Lower-chest slice from an abdominal CT, just above the liver and spleen · axial plane, index 90 · 66-year-old male patient · acquired on Aquilion ONE · scan has 15 labeled organs (a whole-scan count: organs this slice does not pass through have no box)
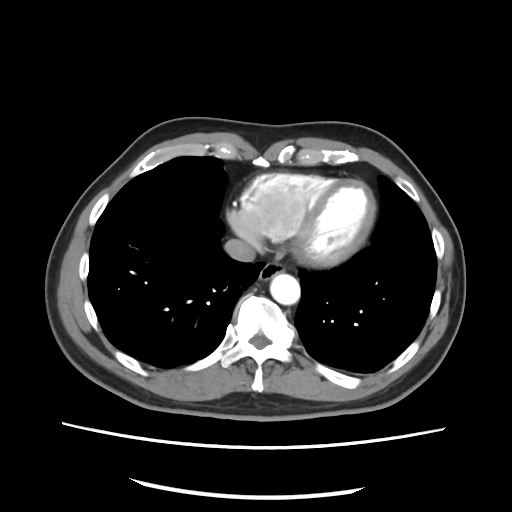 Of the structures in the chest, this dataset labels only the esophagus, the aorta and the inferior vena cava; the heart and lungs have no label.
One row per box, in pixels: columns x1 and y1 give the top-left corner, x2 and y2 the bottom-right.
| organ | x1 | y1 | x2 | y2 |
|---|---|---|---|---|
| esophagus | 258 | 261 | 285 | 280 |
| aorta | 270 | 273 | 300 | 304 |
| inferior vena cava | 224 | 238 | 256 | 262 |